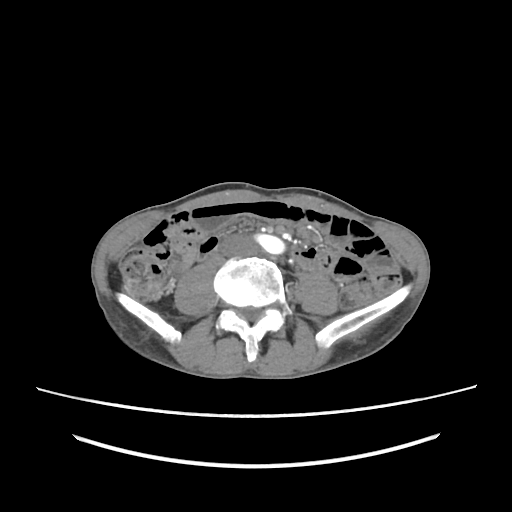 CT, abdomen/pelvis · axial plane, index 41 · soft-tissue window (W 400 / L 40)
One row per box, in pixels: columns x1 and y1 give the top-left corner, x2 and y2 the bottom-right.
| organ | x1 | y1 | x2 | y2 |
|---|---|---|---|---|
| inferior vena cava | 224 | 235 | 257 | 255 |